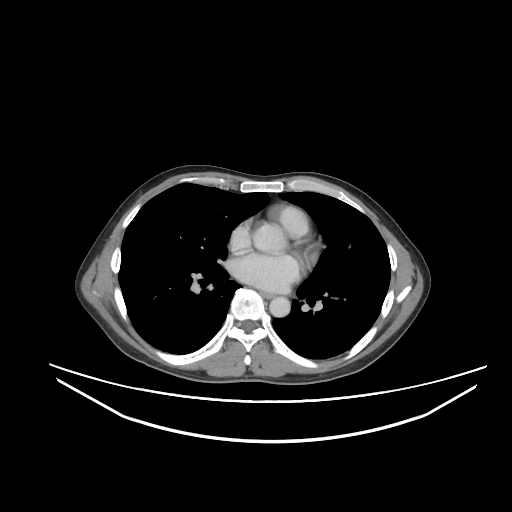
Chest-level slice from an abdominal CT that extends up into the chest — axial plane, index 100 — soft-tissue window (W 400 / L 40) — 47-year-old male patient
On a slice this high in the chest, this dataset labels only the esophagus and the aorta, and each is boxed only where it is labeled; the heart, lungs and other chest structures are not labeled.
Coordinates as <box>x1,y1,x2,y2</box> in pixels.
esophagus: <box>261,292,273,298</box>
aorta: <box>269,296,290,317</box>